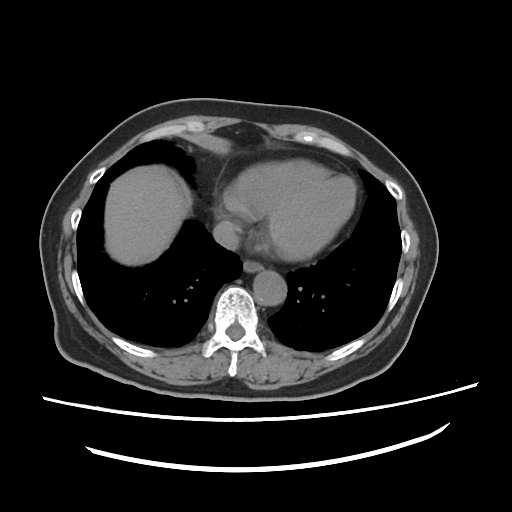
CT, abdomen/pelvis — axial plane, index 83 — soft-tissue window (W 400 / L 40) — 61-year-old female patient — 14 organs annotated in this scan (that count is for the whole scan; organs this slice misses have no box)
Bounding boxes as [x1, y1, x2, y2] in pixel coordinates.
Organ bounding boxes:
- inferior vena cava: [213, 221, 239, 250]
- liver: [105, 165, 188, 265]
- esophagus: [243, 260, 263, 272]
- aorta: [253, 271, 286, 305]